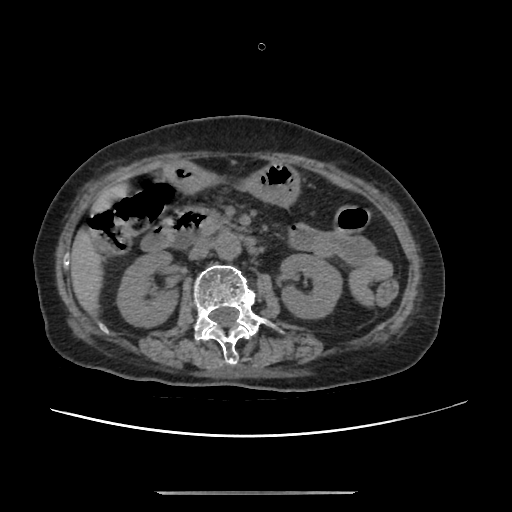

CT, abdomen/pelvis — axial plane, index 224 — abdomen soft-tissue window
Coordinates as <box>x1,y1,x2,y2</box> in pixels.
Organ bounding boxes:
- right kidney: <box>116,249,175,325</box>
- left kidney: <box>280,254,341,317</box>
- liver: <box>71,184,128,309</box>
- stomach: <box>163,161,298,204</box>
- aorta: <box>214,232,239,258</box>
- inferior vena cava: <box>189,240,212,259</box>
- pancreas: <box>207,209,237,232</box>
- duodenum: <box>141,208,209,251</box>